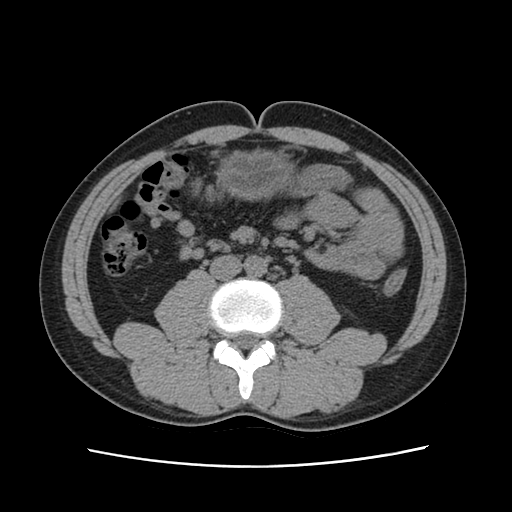 Abdominal CT; axial view; 512x512 px
{"organs":{"aorta":[244,256,266,277],"stomach":[216,151,295,199],"inferior vena cava":[209,255,241,280]}}